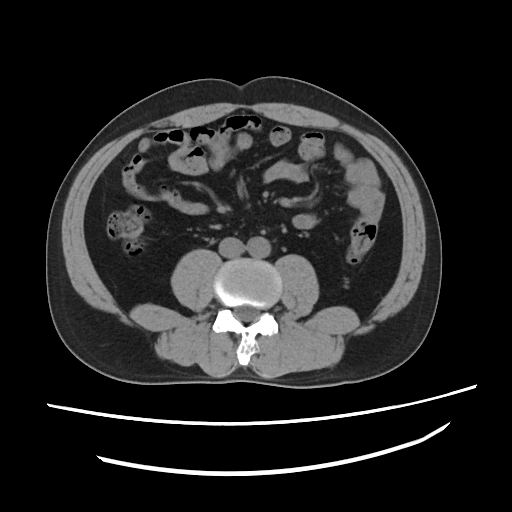

CT abdomen — axial view — 512x512 px
<organs><organ name="aorta" x1="246" y1="236" x2="270" y2="258"/><organ name="inferior vena cava" x1="218" y1="236" x2="242" y2="256"/></organs>